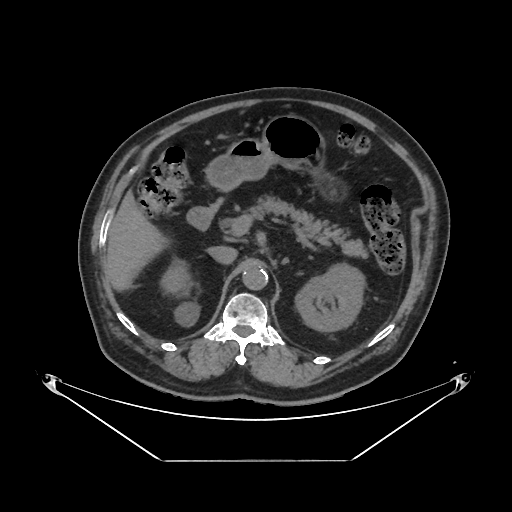
CT, abdomen/pelvis; axial plane, index 252; 512x512 px
Box edges are left/top/right/bottom in pixels.
right kidney: left=160, top=251, right=200, bottom=323
left kidney: left=295, top=264, right=363, bottom=331
liver: left=107, top=192, right=164, bottom=289
stomach: left=208, top=116, right=321, bottom=189
aorta: left=242, top=264, right=268, bottom=290
inferior vena cava: left=209, top=245, right=238, bottom=263
pancreas: left=236, top=197, right=366, bottom=256
duodenum: left=187, top=198, right=222, bottom=229